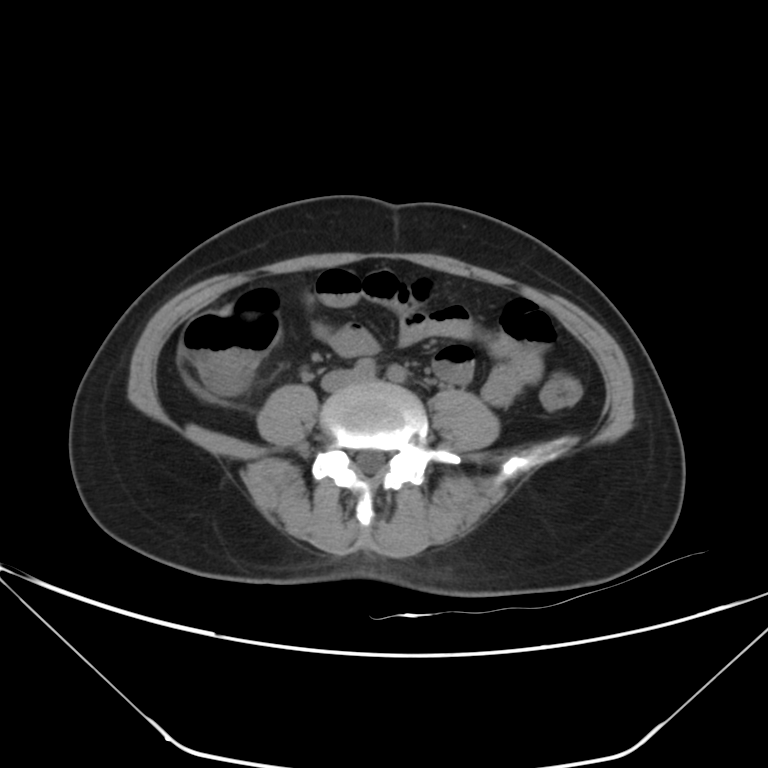
CT, abdomen/pelvis · axial view · soft-tissue window · 768x768 px
<organs><organ name="inferior vena cava" x1="323" y1="372" x2="356" y2="390"/></organs>